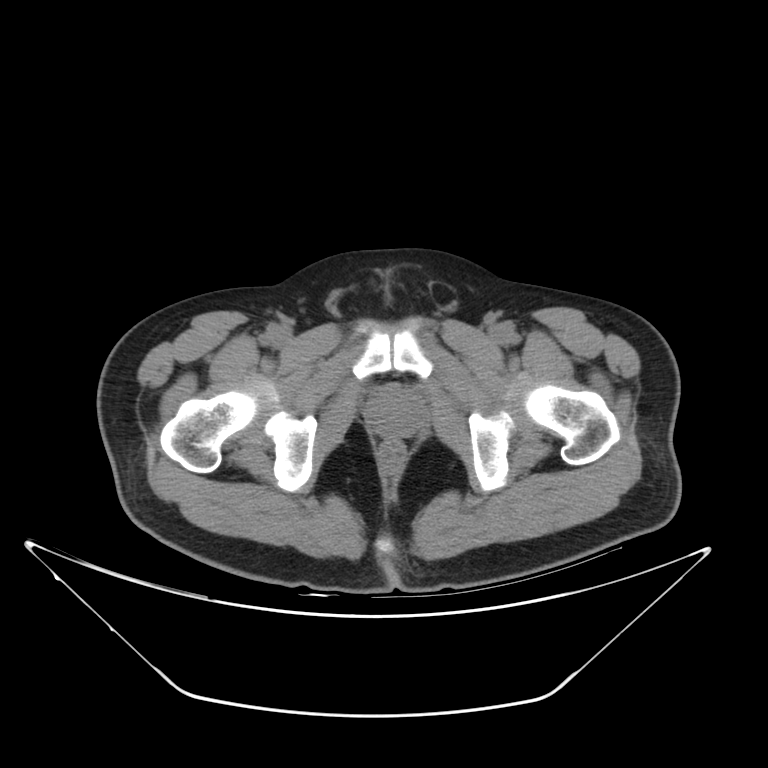
CT, abdomen/pelvis; axial view; 768x768 px; 40-year-old male patient; scan has 15 labeled organs (that count is for the whole scan; organs this slice misses have no box)
Each box given as x1,y1,x2,y2.
prostate/uterus: x1=369, y1=388, x2=423, y2=436